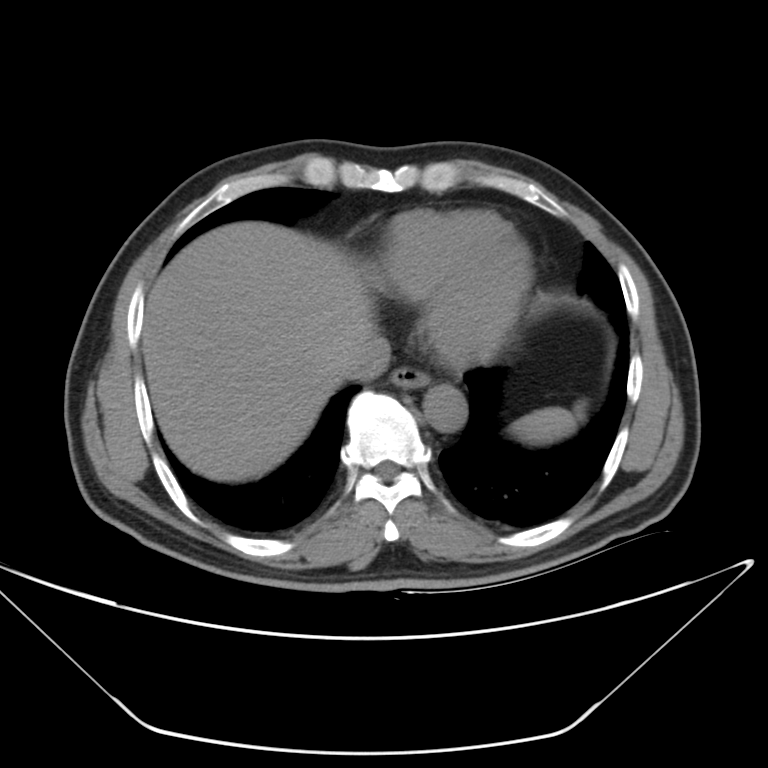 Abdominal CT; axial view; 768x768 px; Brilliance16 scanner
<organs><organ name="spleen" x1="515" y1="408" x2="574" y2="440"/><organ name="esophagus" x1="389" y1="365" x2="430" y2="390"/><organ name="liver" x1="141" y1="223" x2="376" y2="481"/><organ name="aorta" x1="422" y1="385" x2="465" y2="429"/><organ name="inferior vena cava" x1="344" y1="339" x2="393" y2="376"/></organs>